Abdominal CT · axial view · 512x512 px · 54-year-old male patient
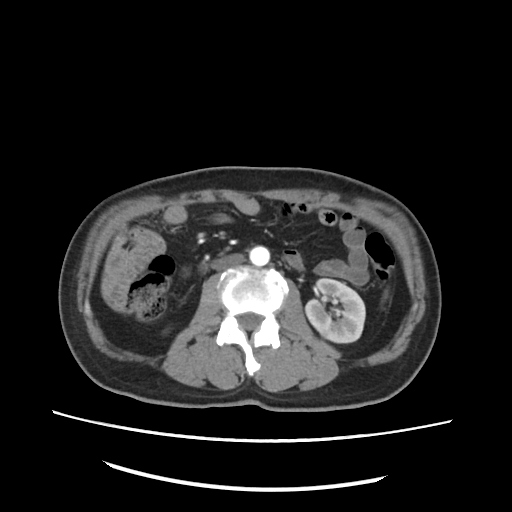 {"organs":{"left kidney":[307,278,366,343],"aorta":[249,247,270,266],"inferior vena cava":[219,254,244,268]}}